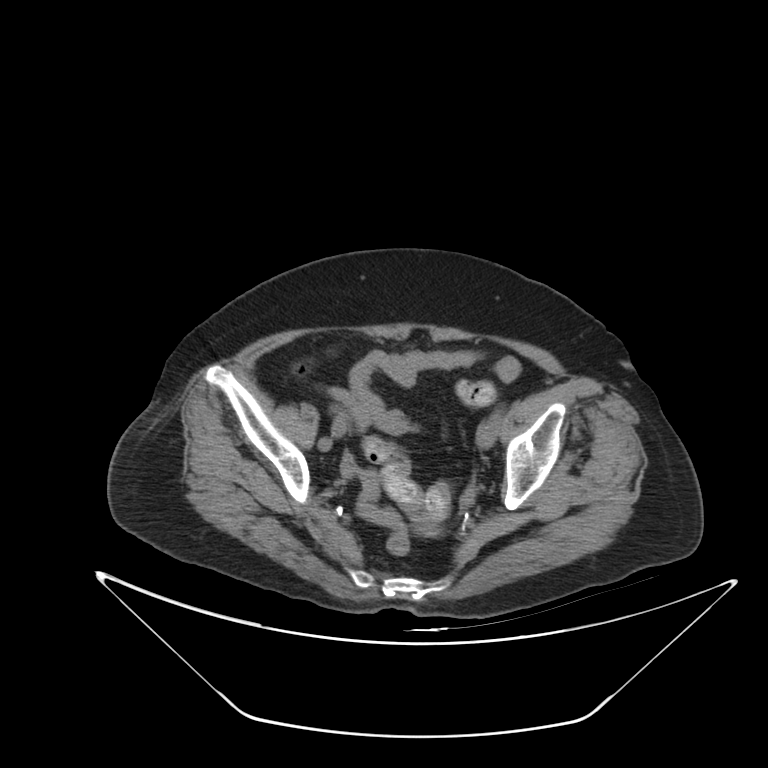
Computed tomography, abdomen; axial view; abdomen soft-tissue window; acquired on Brilliance16
<organs><organ name="prostate/uterus" x1="415" y1="523" x2="438" y2="537"/></organs>